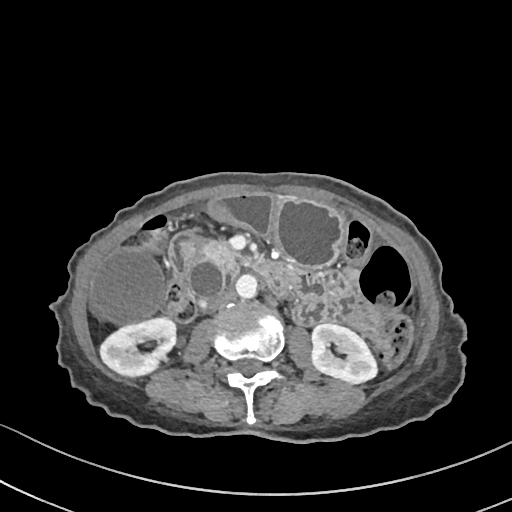 CT, abdomen/pelvis · axial view · abdomen soft-tissue window · scan has 15 labeled organs (a whole-scan count: organs this slice does not pass through have no box)
{"organs":{"right kidney":[100,317,176,377],"left kidney":[311,323,377,384],"gall bladder":[89,249,167,322],"stomach":[208,192,344,268],"aorta":[236,276,258,300],"inferior vena cava":[207,289,236,311],"pancreas":[189,239,240,275],"duodenum":[170,230,292,292]}}